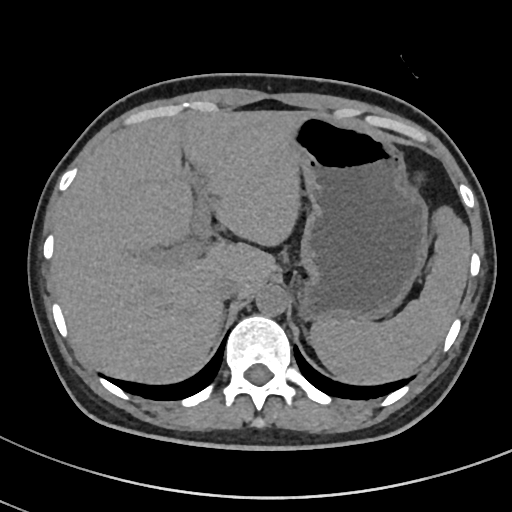 Abdominal CT; axial plane, index 182
{"organs":{"spleen":[309,207,470,385],"liver":[52,110,303,385],"stomach":[287,112,427,319],"aorta":[256,284,288,315],"inferior vena cava":[212,274,243,300],"left adrenal gland":[302,324,305,329]}}